Abdominal CT reaching into the chest; this slice is in the chest. axial view. soft-tissue window. 768x768 px. acquired on Brilliance16. scan has 13 labeled organs (a whole-scan count: organs this slice does not pass through have no box)
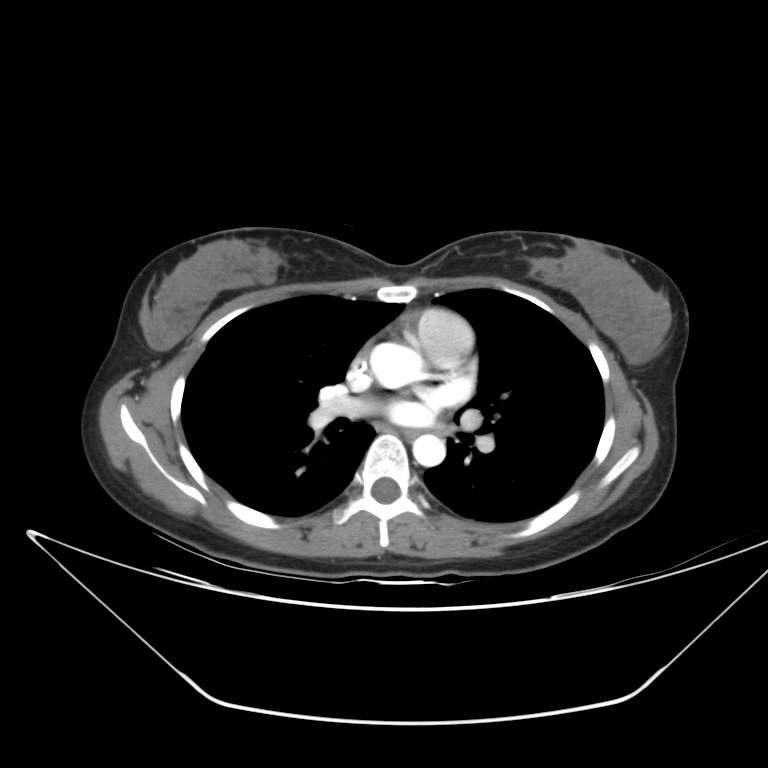 At this level of the chest no structure but the esophagus and the aorta has a label in this dataset, and those two are boxed only where they are labeled.
Coordinates as <box>x1,y1,x2,y2</box> in pixels.
Organ bounding boxes:
- esophagus: <box>403,429,417,439</box>
- aorta: <box>370,342,422,387</box>
- aorta: <box>412,434,445,466</box>